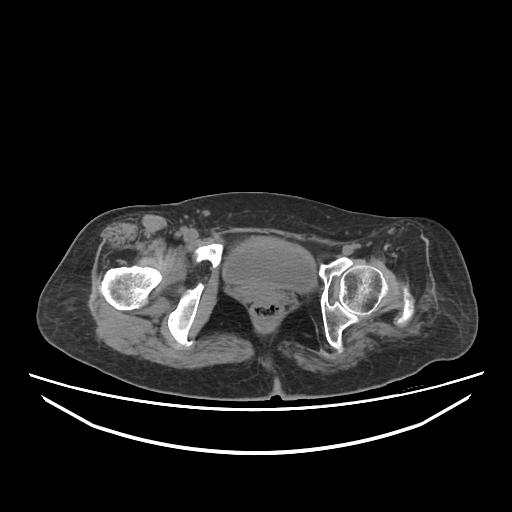 CT, abdomen/pelvis; axial view; abdomen soft-tissue window; 512x512 px; 49-year-old female patient
Boxes: x1 y1 x2 y2 (pixel coords, space-separated).
Organ bounding boxes:
- bladder: 222 237 316 292